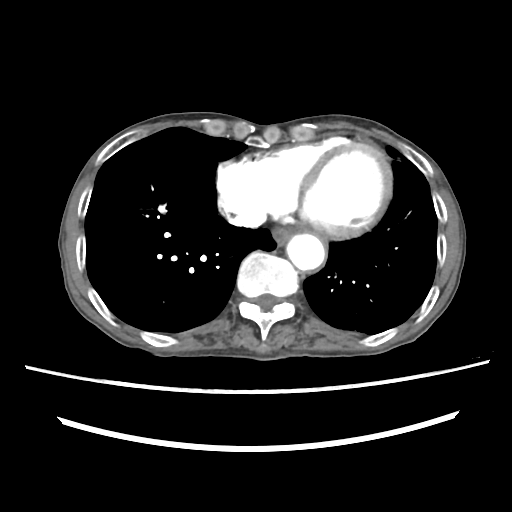

Abdominal CT; this slice is in the lower chest, just above the liver. axial plane, index 78. 81-year-old male patient. Aquilion ONE scanner
No part of the heart or lungs is labeled in this dataset, so neither has a box here.
{"organs":{"esophagus":[272,228,294,244],"aorta":[286,234,325,270]}}